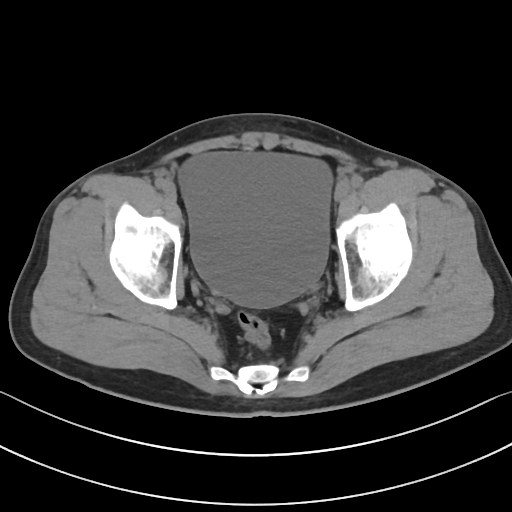 CT abdomen. Axial slice 19/87. W/L 400/40 HU. 512x512 px
Coordinates as <box>x1,y1,x2,y2</box> in pixels.
bladder: <box>177,152,332,308</box>